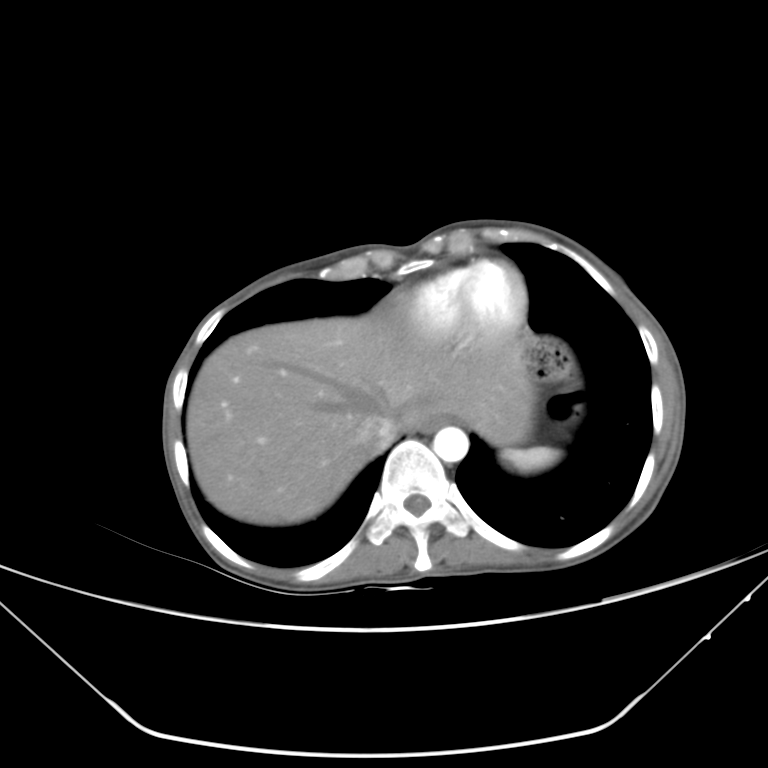
Abdominal CT; axial view; 32-year-old female patient
Coordinates as <box>x1,y1,x2,y2</box> in pixels. Labeled organs on this slice: stomach at <box>493,414,529,443</box>, inferior vena cava at <box>354,413,400,453</box>, esophagus at <box>421,411,451,430</box>, liver at <box>187,314,534,524</box>, spleen at <box>502,447,559,470</box>, aorta at <box>433,426,468,462</box>.